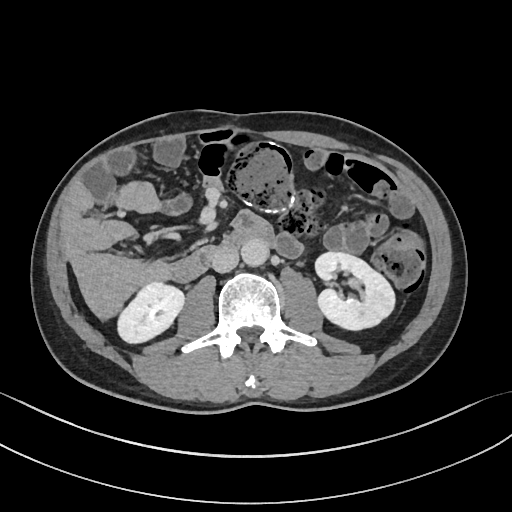 Computed tomography, abdomen · axial view
{"organs":{"right kidney":[117,281,185,343],"left kidney":[316,252,394,331],"aorta":[241,240,269,267],"inferior vena cava":[211,247,238,273],"duodenum":[166,228,279,282]}}